CT abdomen; Axial slice 169/222; 512x512 px
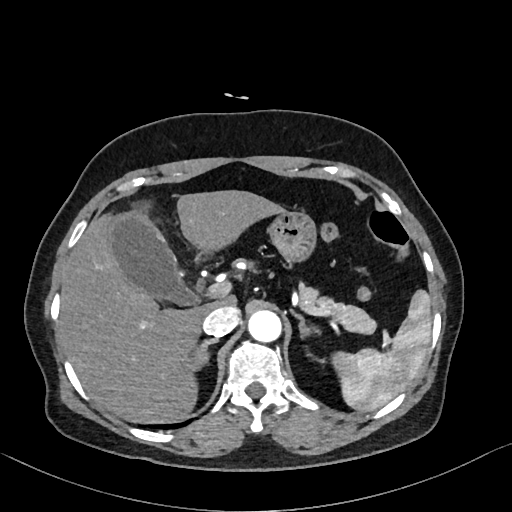

Boxes: x1 y1 x2 y2 (pixel coords, space-separated).
spleen: 331 290 431 411
aorta: 248 310 281 342
liver: 60 190 284 423
left adrenal gland: 294 313 320 337
pancreas: 299 282 376 334
stomach: 267 210 316 262
gall bladder: 107 211 196 304
duodenum: 195 251 221 264
right adrenal gland: 190 338 217 370
inferior vena cava: 202 305 239 337